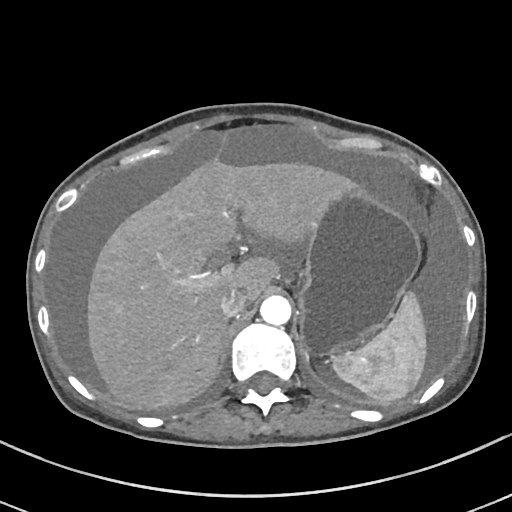 Computed tomography, abdomen — axial plane, index 180 — soft-tissue window (W 400 / L 40) — 512x512 px
Bounding boxes as [x1, y1, x2, y2] in pixel coordinates.
spleen: [332, 292, 426, 403]
liver: [87, 160, 353, 408]
stomach: [299, 186, 419, 355]
aorta: [260, 295, 291, 325]
inferior vena cava: [220, 289, 247, 317]